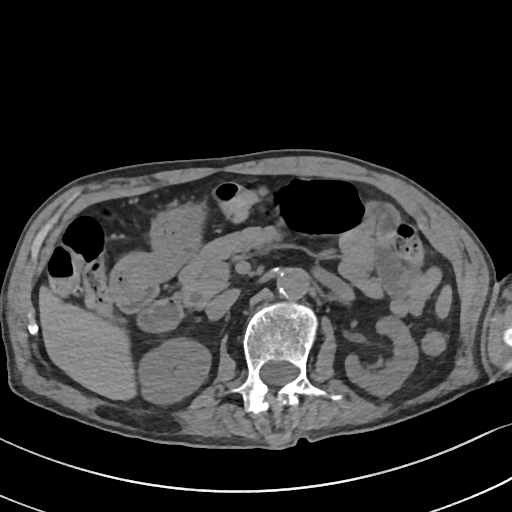 Computed tomography, abdomen. Axial slice 135/208. SOMATOM Force scanner
Bounding boxes as [x1, y1, x2, y2] in pixel coordinates. The annotated organs in this slice are: spleen at [437, 287, 450, 316], right kidney at [137, 337, 210, 404], left kidney at [345, 316, 417, 396], liver at [38, 286, 136, 400], stomach at [109, 204, 206, 308], aorta at [277, 268, 309, 299], inferior vena cava at [205, 289, 239, 319], pancreas at [175, 227, 280, 308], duodenum at [137, 297, 183, 332].